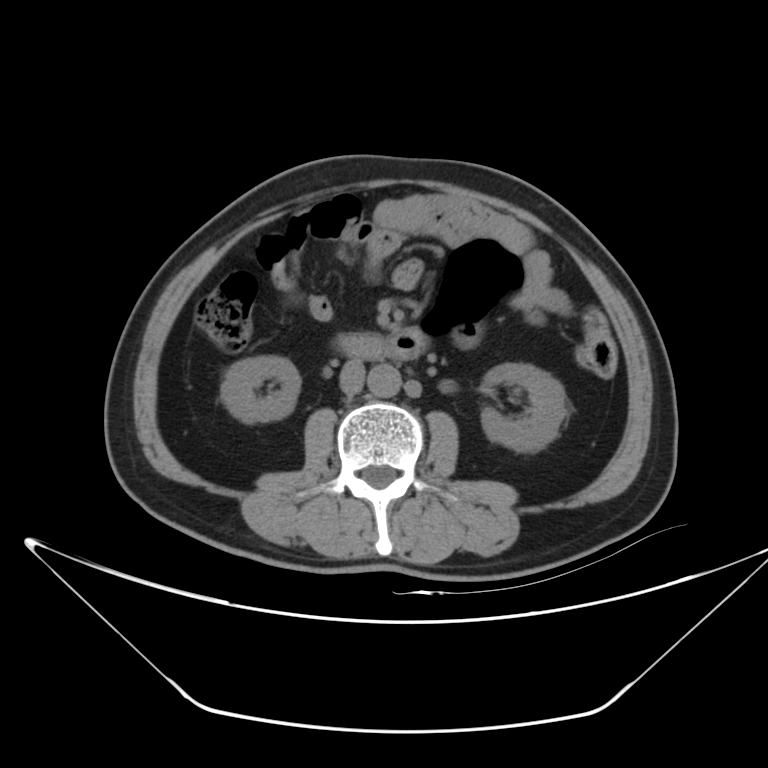 CT abdomen; axial view; W/L 400/40 HU
{"organs":{"right kidney":[220,356,301,423],"left kidney":[480,363,566,451],"aorta":[367,364,400,397],"inferior vena cava":[340,360,363,393],"duodenum":[334,327,427,360]}}